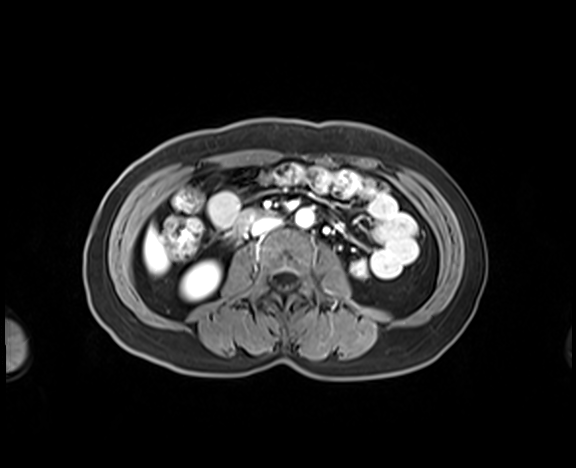
MRI, abdomen. axial view. percentile-normalized. 13 organs annotated in this scan (a whole-scan count: organs this slice does not pass through have no box)
{"organs":{"duodenum":[233,209,275,234],"inferior vena cava":[252,217,279,234],"right kidney":[181,261,220,300],"liver":[144,226,168,273],"aorta":[295,208,314,226]}}